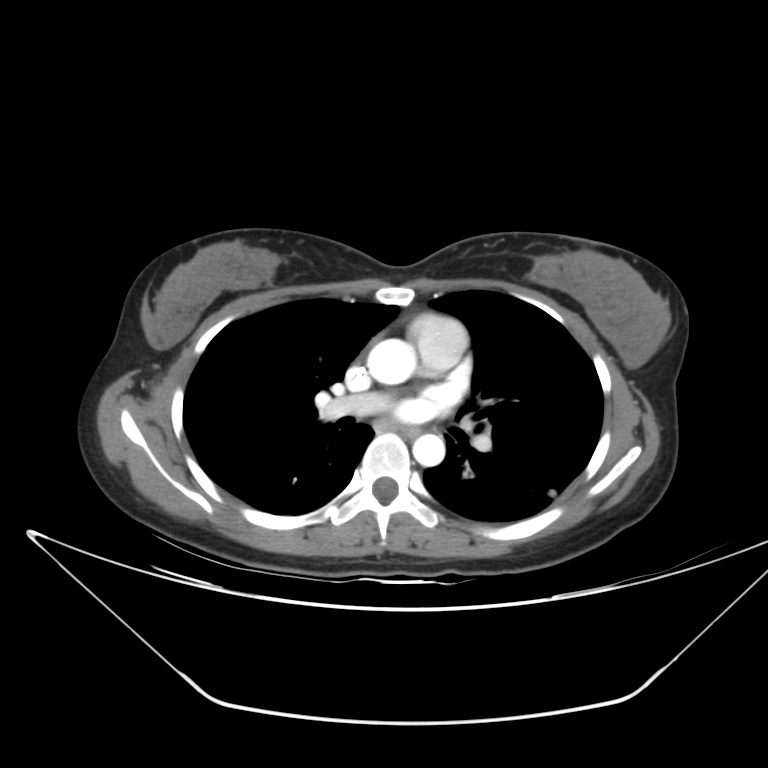
Chest-level CT slice, above the liver and spleen · Axial slice 51/72 · W/L 400/40 HU · Brilliance16 scanner
On a slice this high in the chest, this dataset labels only the esophagus and the aorta, and each is boxed only where it is labeled; the heart, lungs and other chest structures are not labeled.
{"organs":{"esophagus":[404,427,420,435],"aorta":[[367,338,416,384],[412,434,445,466]]}}